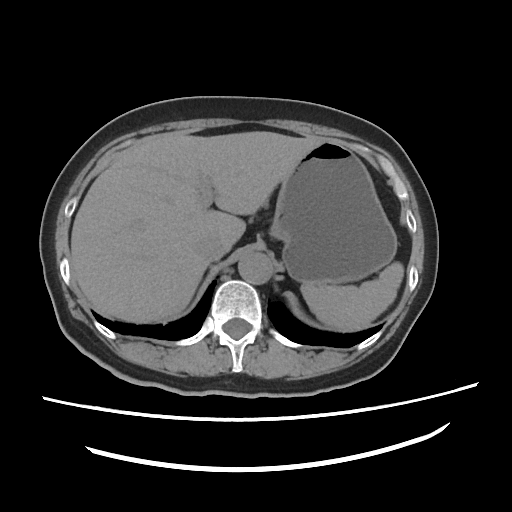

CT, abdomen/pelvis — Axial slice 73/88 — soft-tissue window — 512x512 px
Box edges are left/top/right/bottom in pixels.
Organ bounding boxes:
- spleen: left=301, top=262, right=403, bottom=331
- liver: left=71, top=131, right=324, bottom=322
- stomach: left=270, top=139, right=397, bottom=285
- aorta: left=238, top=252, right=272, bottom=284
- inferior vena cava: left=194, top=237, right=225, bottom=262